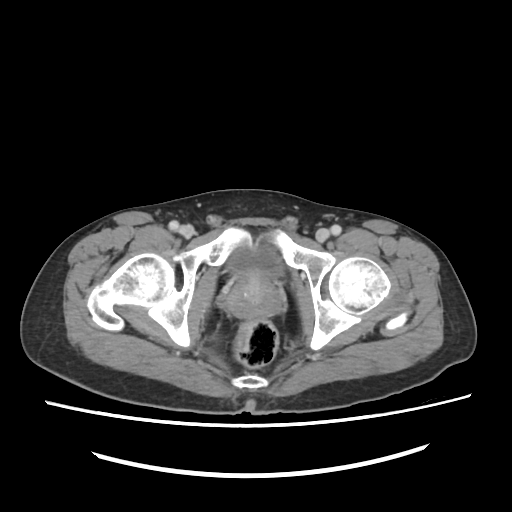

Abdominal CT. axial view. 512x512 px. 45-year-old male patient. acquired on Aquilion ONE. scan has 15 labeled organs (a whole-scan count: organs this slice does not pass through have no box)
Each box given as x1,y1,x2,y2. 2 labeled organs on this slice — bladder at x1=228, y1=246, x2=282, y2=276; prostate/uterus at x1=227, y1=271, x2=281, y2=319.